CT, abdomen/pelvis — axial plane, index 45 — 512x512 px — 41-year-old male patient
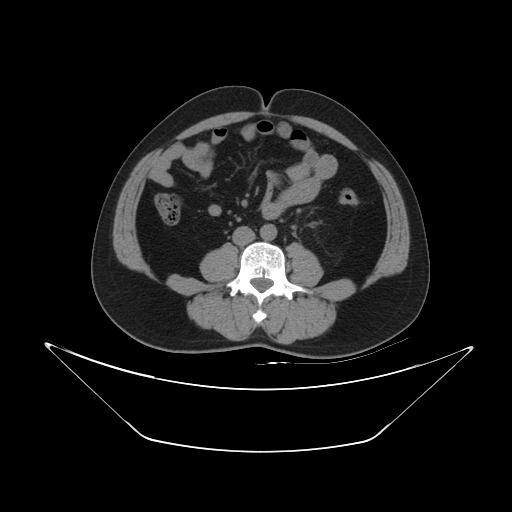 <organs><organ name="inferior vena cava" x1="232" y1="226" x2="255" y2="245"/><organ name="aorta" x1="260" y1="223" x2="276" y2="239"/></organs>